CT, abdomen/pelvis — axial plane, index 13 — abdomen soft-tissue window — acquired on Aquilion ONE
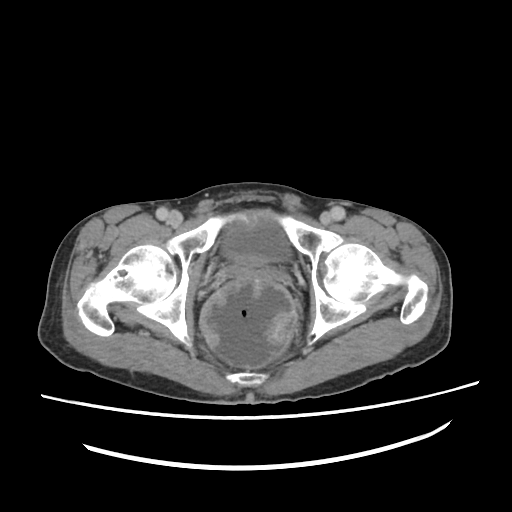

Boxes: x1 y1 x2 y2 (pixel coords, space-separated).
bladder: 220 218 290 264